CT abdomen. axial plane, index 52. 55-year-old male patient. scan has 15 labeled organs (a whole-scan count: organs this slice does not pass through have no box)
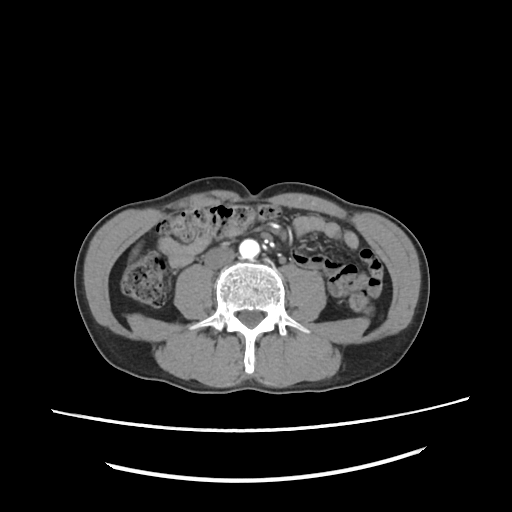 <organs><organ name="aorta" x1="239" y1="238" x2="259" y2="258"/><organ name="inferior vena cava" x1="203" y1="246" x2="236" y2="268"/></organs>